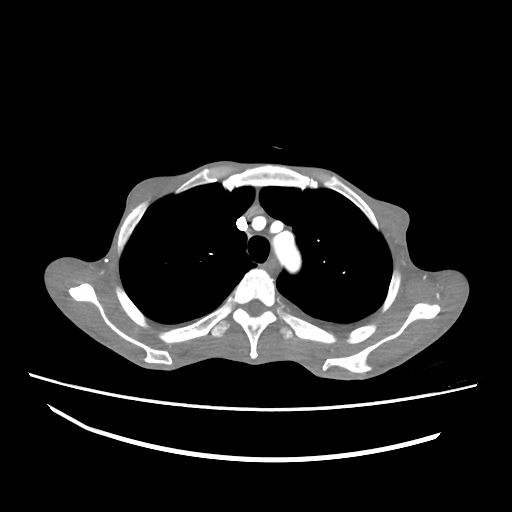

Abdominal CT reaching into the chest; this slice is in the chest — axial view — soft-tissue window — 512x512 px — 47-year-old male patient — 15 organs annotated in this scan (a whole-scan count: organs this slice does not pass through have no box)
On a slice this high in the chest, this dataset labels only the esophagus and the aorta, and each is boxed only where it is labeled; the heart, lungs and other chest structures are not labeled.
{"organs":{"esophagus":[265,259,276,271],"aorta":[274,232,300,272]}}